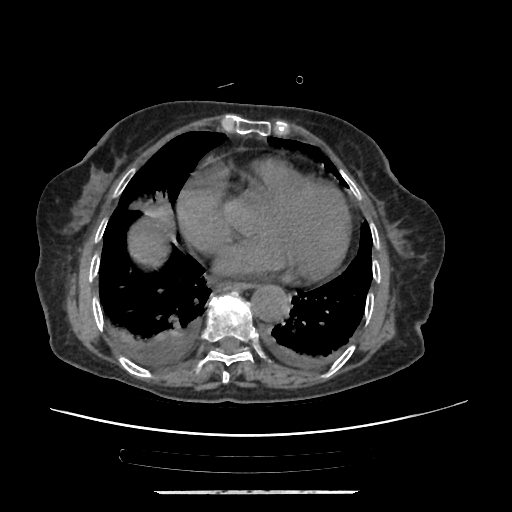

Abdominal CT — axial view — 512x512 px
<organs><organ name="esophagus" x1="216" y1="279" x2="251" y2="289"/><organ name="liver" x1="127" y1="218" x2="168" y2="268"/><organ name="aorta" x1="250" y1="284" x2="289" y2="320"/></organs>